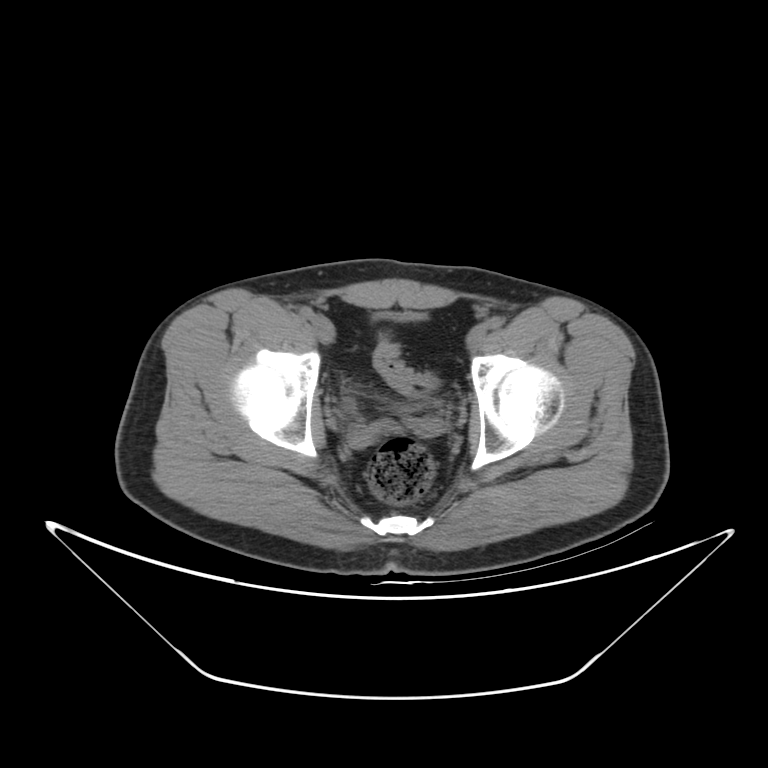
Abdominal CT; axial view; W/L 400/40 HU; Brilliance16 scanner
Each box given as x1,y1,x2,y2.
Organ bounding boxes:
- bladder: x1=377, y1=311, x2=425, y2=321